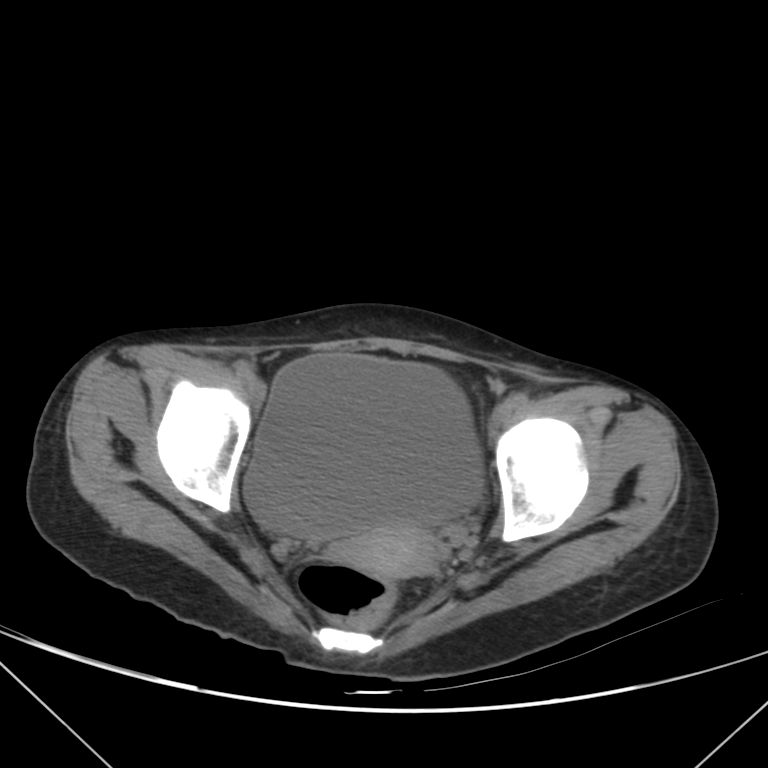
CT, abdomen/pelvis — axial view — soft-tissue window — 768x768 px — scan has 15 labeled organs (a whole-scan count: organs this slice does not pass through have no box)
Boxes: x1:y1:x2:y2 in pixels. Labeled organs on this slice: bladder at 244:354:483:540, prostate/uterus at 338:521:439:578.